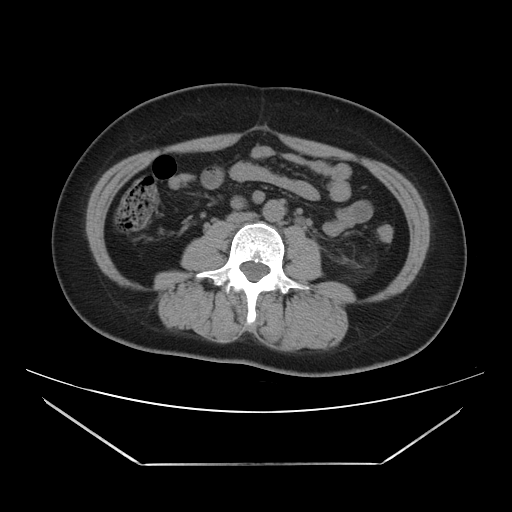 CT abdomen. Axial slice 46/93. soft-tissue window (W 400 / L 40). acquired on SOMATOM Force
One row per box, in pixels: columns x1 and y1 give the top-left corner, x2 and y2 the bottom-right.
| organ | x1 | y1 | x2 | y2 |
|---|---|---|---|---|
| aorta | 263 | 200 | 285 | 221 |
| inferior vena cava | 228 | 212 | 255 | 223 |